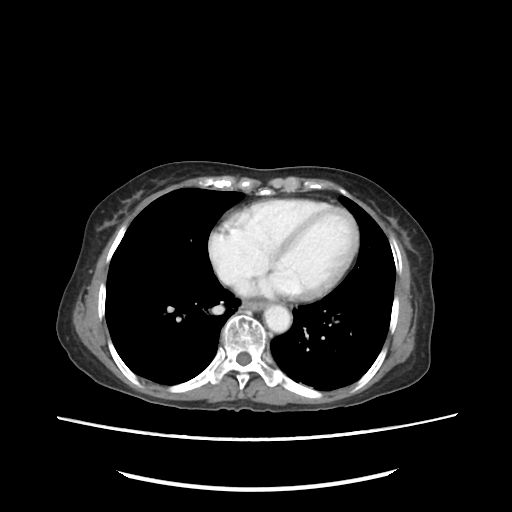

Lower-chest slice from an abdominal CT, just above the liver and spleen; axial view; soft-tissue window (W 400 / L 40); 512x512 px; 73-year-old female patient; scan has 15 labeled organs (a whole-scan count: organs this slice does not pass through have no box)
The heart and lungs are never labeled in this dataset, so they have no box on this slice. Boxes: x1:y1:x2:y2 in pixels. 2 labeled organs on this slice — esophagus at 243:301:265:310; aorta at 264:307:292:333.